CT abdomen — axial view — soft-tissue window — SOMATOM Force scanner
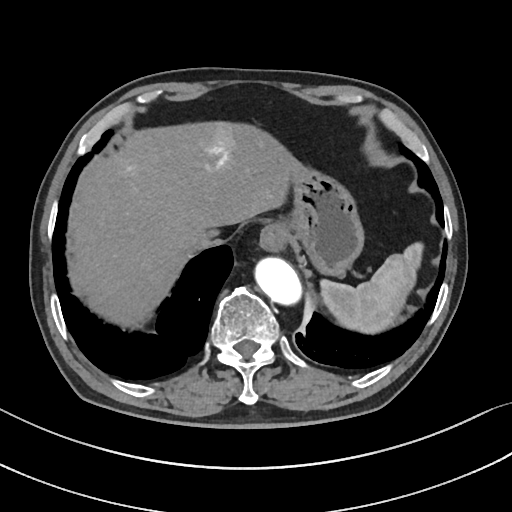

Bounding boxes as [x1, y1, x2, y2] in pixel coordinates.
spleen: [321, 243, 423, 332]
esophagus: [260, 222, 282, 248]
liver: [66, 122, 294, 322]
stomach: [274, 156, 366, 277]
aorta: [253, 255, 298, 302]
inferior vena cava: [185, 232, 213, 252]